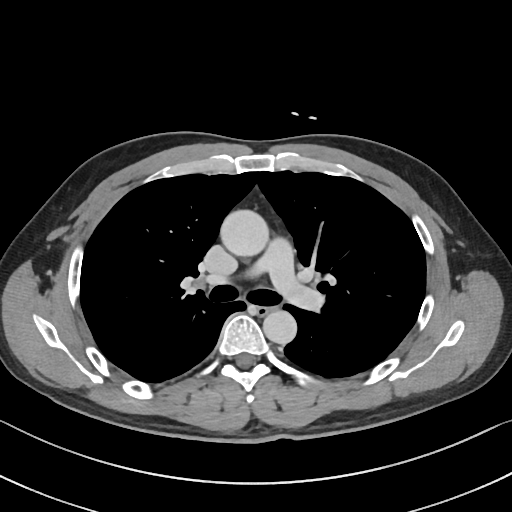

Abdominal CT reaching into the chest; this slice is in the chest. axial view. W/L 400/40 HU. 512x512 px. scan has 15 labeled organs (counted over the whole 3D scan, not this slice; an organ is boxed only where this slice passes through it)
At this level of the chest this dataset labels only the esophagus and the aorta, and each is boxed only where it is labeled; the heart and lungs are never labeled.
Each box given as x1,y1,x2,y2.
Organ bounding boxes:
- aorta: x1=220, y1=209, x2=269, y2=256
- aorta: x1=263, y1=310, x2=296, y2=344
- esophagus: x1=257, y1=305, x2=274, y2=314